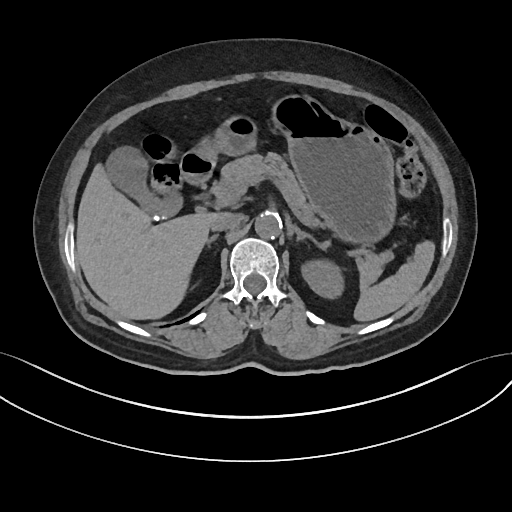

Abdominal CT. axial view. soft-tissue window (W 400 / L 40). 512x512 px. scan has 15 labeled organs (counted over the whole 3D scan, not this slice; an organ is boxed only where this slice passes through it)
Boxes: x1 y1 x2 y2 (pixel coords, space-separated).
Organ bounding boxes:
- spleen: 354 239 434 320
- left kidney: 300 261 343 299
- gall bladder: 108 148 183 220
- liver: 76 165 216 319
- stomach: 195 94 393 240
- aorta: 254 212 281 238
- inferior vena cava: 211 213 242 230
- pancreas: 219 152 392 284
- right adrenal gland: 206 234 216 242
- left adrenal gland: 292 224 319 243
- duodenum: 180 150 215 186